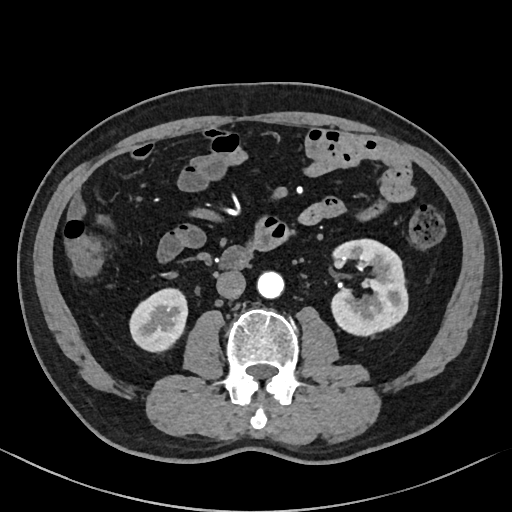

Computed tomography, abdomen — axial view — abdomen soft-tissue window — scan has 15 labeled organs (a whole-scan count: organs this slice does not pass through have no box)
<organs><organ name="right kidney" x1="128" y1="287" x2="188" y2="353"/><organ name="inferior vena cava" x1="217" y1="270" x2="245" y2="298"/><organ name="duodenum" x1="218" y1="246" x2="254" y2="270"/><organ name="aorta" x1="257" y1="271" x2="284" y2="298"/><organ name="left kidney" x1="330" y1="240" x2="407" y2="337"/></organs>